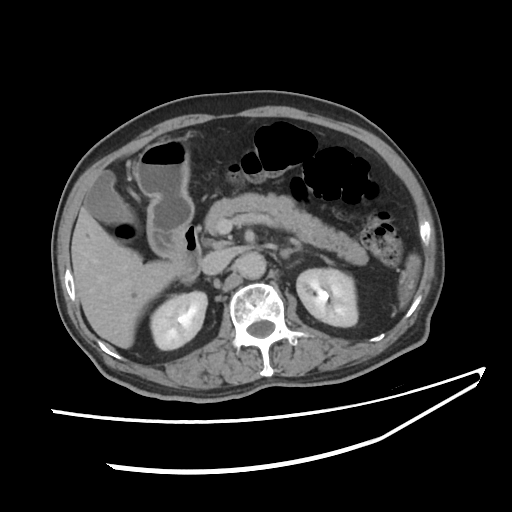

CT, abdomen/pelvis; axial plane, index 68
Organ boxes in pixel coordinates; each row gives the top-left (x1, y1) and bottom-right (x2, y2) corners.
| organ | x1 | y1 | x2 | y2 |
|---|---|---|---|---|
| right kidney | 149 | 290 | 208 | 349 |
| spleen | 399 | 254 | 421 | 306 |
| liver | 71 | 202 | 176 | 348 |
| left adrenal gland | 280 | 244 | 302 | 258 |
| inferior vena cava | 203 | 250 | 231 | 274 |
| aorta | 235 | 252 | 265 | 277 |
| gall bladder | 84 | 171 | 139 | 228 |
| duodenum | 147 | 225 | 201 | 279 |
| stomach | 134 | 135 | 194 | 259 |
| pancreas | 205 | 192 | 367 | 264 |
| left kidney | 295 | 267 | 357 | 325 |